Abdominal CT — Axial slice 81/89 — W/L 400/40 HU
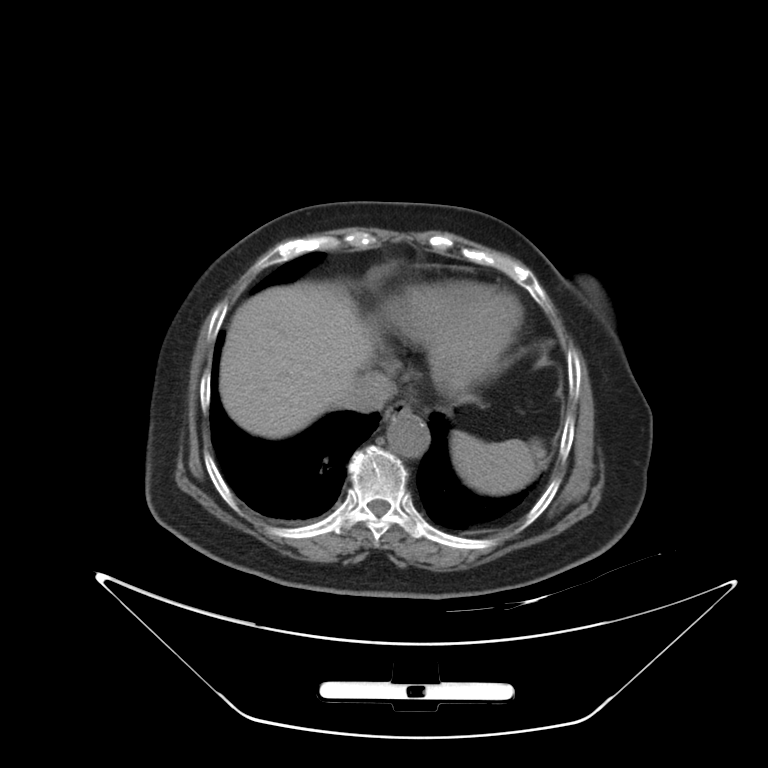 <organs><organ name="liver" x1="219" y1="282" x2="376" y2="438"/><organ name="inferior vena cava" x1="339" y1="372" x2="395" y2="412"/><organ name="aorta" x1="386" y1="414" x2="429" y2="456"/><organ name="spleen" x1="451" y1="431" x2="546" y2="495"/><organ name="esophagus" x1="383" y1="401" x2="411" y2="422"/></organs>